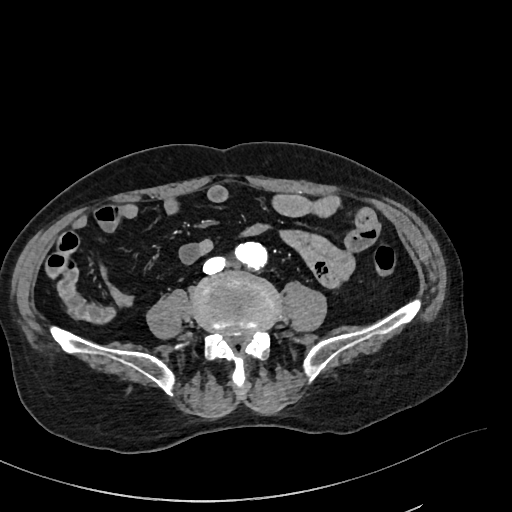
CT abdomen · axial view · 512x512 px
Coordinates as <box>x1,y1,x2,y2</box> in pixels.
aorta: <box>235,239,267,269</box>
inferior vena cava: <box>203,257,225,273</box>